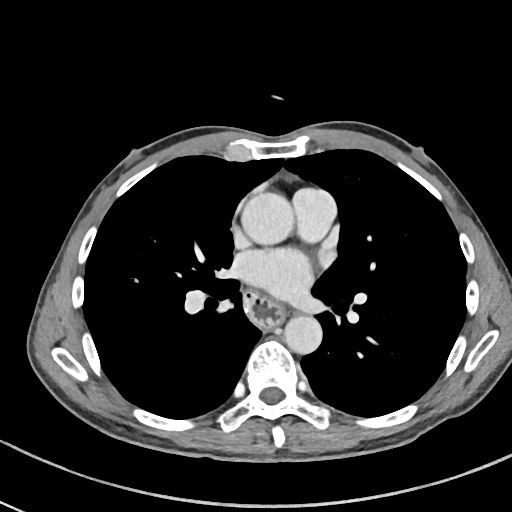

Abdominal CT reaching into the chest; this slice is in the chest · Axial slice 235/306 · W/L 400/40 HU · SOMATOM Force scanner
At this level of the chest this dataset labels only the esophagus and the aorta, and each is boxed only where it is labeled; the heart and lungs are never labeled.
Organ boxes in pixel coordinates; each row gives the top-left (x1, y1) and bottom-right (x2, y2) corners.
| organ | x1 | y1 | x2 | y2 |
|---|---|---|---|---|
| esophagus | 244 | 292 | 282 | 330 |
| aorta | 241 | 192 | 294 | 244 |
| aorta | 284 | 316 | 322 | 354 |